Abdominal CT — axial view — 512x512 px
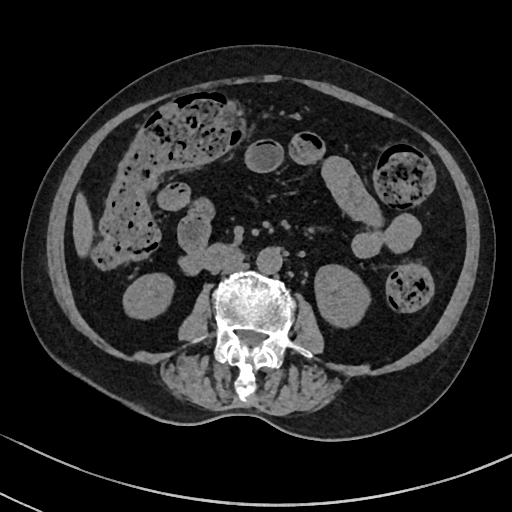 {"organs":{"right kidney":[125,275,171,316],"left kidney":[316,265,368,327],"liver":[73,197,91,252],"aorta":[256,247,282,273],"inferior vena cava":[222,261,249,273],"duodenum":[204,245,238,267]}}